CT, abdomen/pelvis. Axial slice 86/118. 15 organs annotated in this scan (counted over the whole 3D scan, not this slice; an organ is boxed only where this slice passes through it)
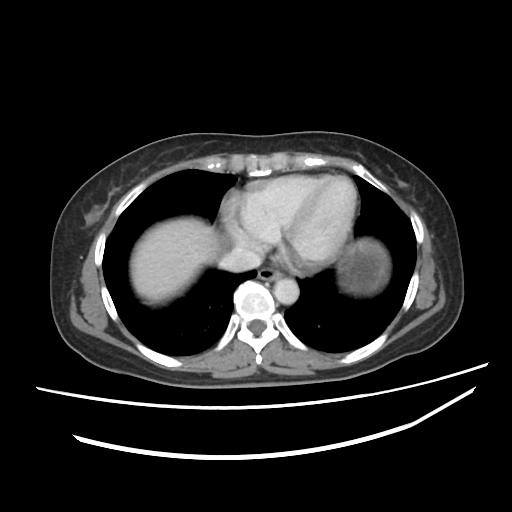 Bounding boxes as [x1, y1, x2, y2] in pixel coordinates.
Organ bounding boxes:
- esophagus: [258, 268, 282, 280]
- liver: [131, 217, 219, 303]
- stomach: [337, 238, 389, 295]
- aorta: [273, 278, 299, 304]
- inferior vena cava: [219, 246, 262, 271]